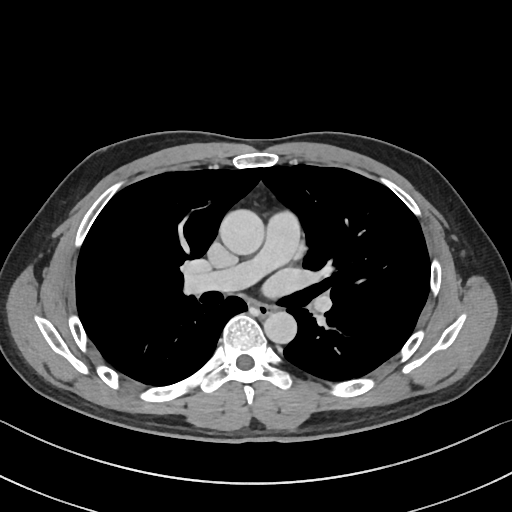

Chest-level slice from an abdominal CT that extends up into the chest; axial plane, index 227; W/L 400/40 HU; 15 organs annotated in this scan (counted over the whole 3D scan, not this slice; an organ is boxed only where this slice passes through it)
On a slice this high in the chest, this dataset labels only the esophagus and the aorta, and each is boxed only where it is labeled; the heart, lungs and other chest structures are not labeled.
<organs><organ name="aorta" x1="219" y1="209" x2="264" y2="255"/><organ name="aorta" x1="264" y1="311" x2="296" y2="344"/><organ name="esophagus" x1="255" y1="303" x2="271" y2="315"/></organs>